CT, abdomen/pelvis; axial plane, index 138; soft-tissue window; 512x512 px
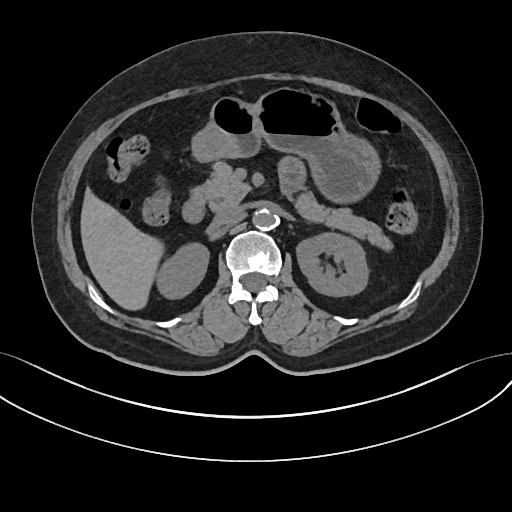
Coordinates as <box>x1,y1,x2,y2</box> in pixels.
Organ bounding boxes:
- duodenum: <box>182,188,205,223</box>
- inferior vena cava: <box>213,206,241,225</box>
- left kidney: <box>296,232,368,296</box>
- aorta: <box>252,208,275,230</box>
- stomach: <box>192,87,380,203</box>
- liver: <box>80,188,163,310</box>
- pancreas: <box>199,161,392,251</box>
- right kidney: <box>156,242,209,298</box>